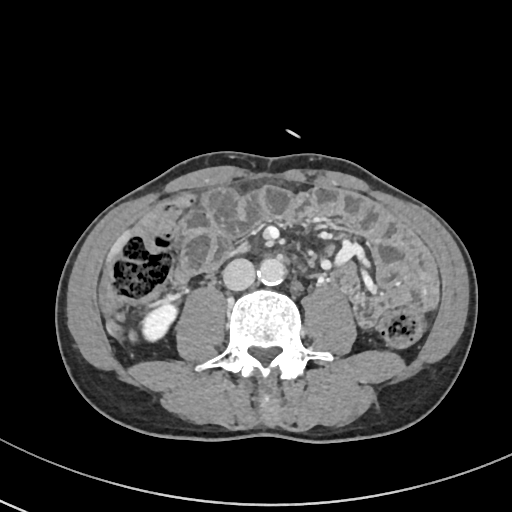
Computed tomography, abdomen; axial view
Boxes are (x1, y1, x2, y2) in pixels.
Organ bounding boxes:
- aorta: (258, 258, 285, 285)
- right kidney: (143, 303, 176, 340)
- inferior vena cava: (222, 258, 255, 290)
- liver: (108, 232, 129, 260)